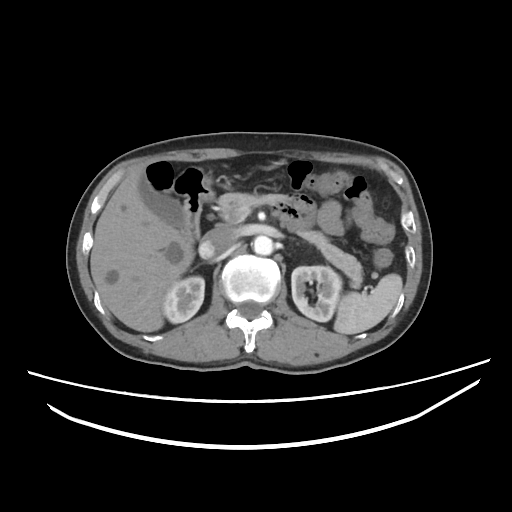 Abdominal CT; axial view; 63-year-old male patient; acquired on Aquilion ONE
<organs><organ name="spleen" x1="333" y1="274" x2="402" y2="334"/><organ name="right kidney" x1="162" y1="276" x2="204" y2="323"/><organ name="left kidney" x1="291" y1="266" x2="342" y2="321"/><organ name="gall bladder" x1="138" y1="176" x2="184" y2="228"/><organ name="liver" x1="90" y1="168" x2="194" y2="332"/><organ name="aorta" x1="252" y1="235" x2="273" y2="255"/><organ name="inferior vena cava" x1="199" y1="227" x2="236" y2="258"/><organ name="pancreas" x1="217" y1="192" x2="362" y2="288"/><organ name="duodenum" x1="177" y1="169" x2="213" y2="239"/></organs>